CT abdomen; axial view; abdomen soft-tissue window; acquired on SOMATOM Force
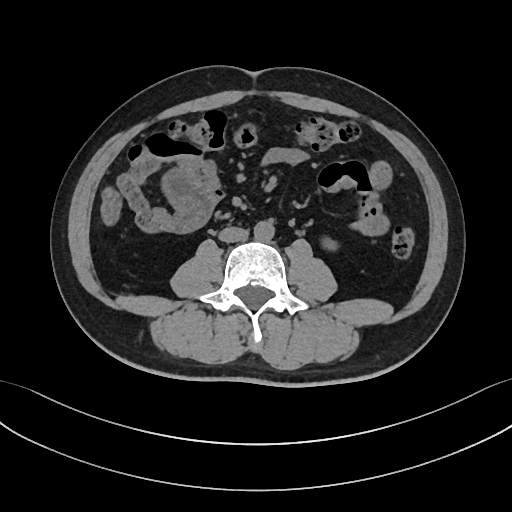
{"organs":{"inferior vena cava":[219,226,248,242],"left kidney":[321,237,337,250],"aorta":[253,221,274,241]}}